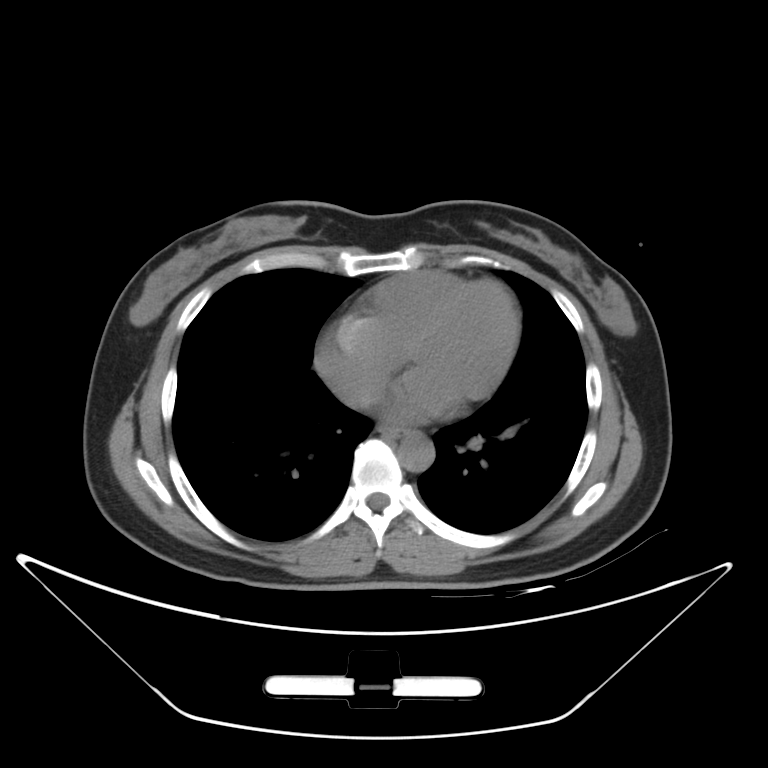

CT of the abdomen reaching into the lower chest, slice just above the liver and spleen · axial view
No part of the heart or lungs is labeled in this dataset, so neither has a box here.
{"organs":{"esophagus":[380,427,402,438],"aorta":[399,432,434,472]}}